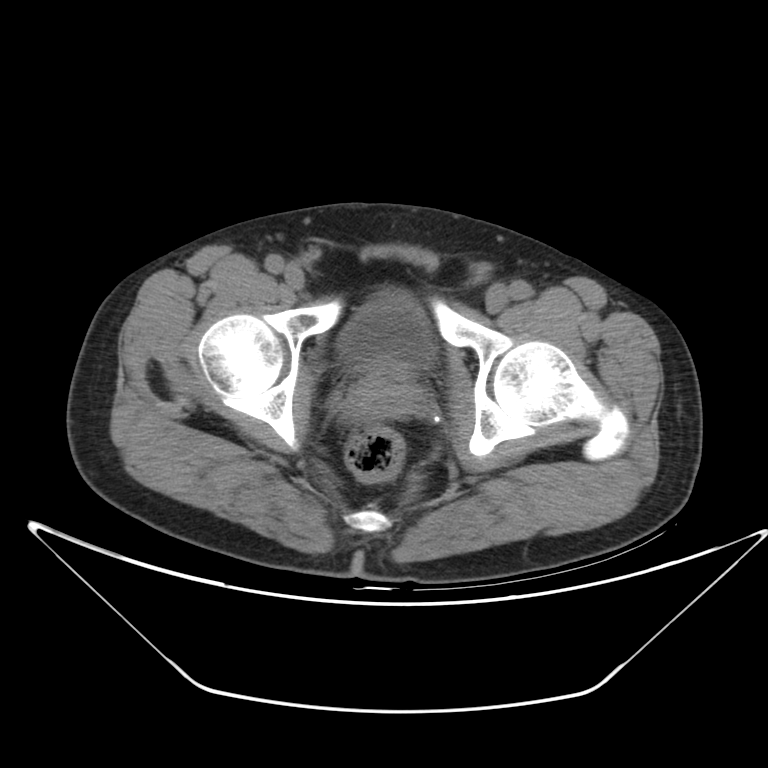 CT abdomen. axial view. 45-year-old male patient
Boxes are (x1, y1, x2, y2) in pixels. 2 labeled organs on this slice — bladder at (338, 292, 436, 368); prostate/uterus at (348, 362, 425, 418).